Computed tomography, abdomen — axial plane, index 70 — 512x512 px — Aquilion ONE scanner
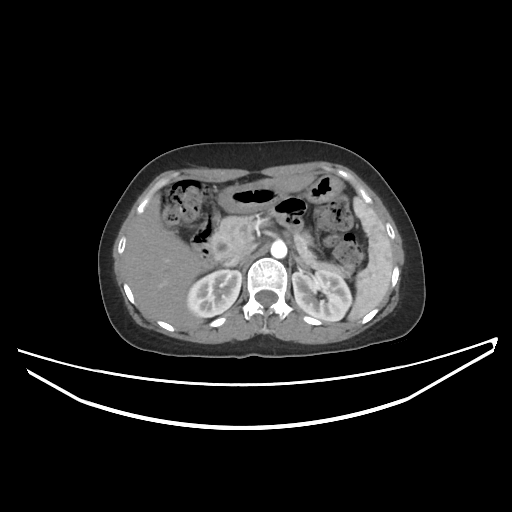 <organs><organ name="spleen" x1="348" y1="197" x2="393" y2="321"/><organ name="right kidney" x1="187" y1="270" x2="241" y2="317"/><organ name="left kidney" x1="292" y1="269" x2="351" y2="321"/><organ name="liver" x1="123" y1="173" x2="315" y2="329"/><organ name="stomach" x1="217" y1="176" x2="342" y2="212"/><organ name="aorta" x1="270" y1="240" x2="286" y2="258"/><organ name="inferior vena cava" x1="224" y1="249" x2="251" y2="266"/><organ name="pancreas" x1="215" y1="216" x2="347" y2="274"/><organ name="left adrenal gland" x1="295" y1="256" x2="309" y2="269"/><organ name="duodenum" x1="192" y1="233" x2="225" y2="270"/></organs>